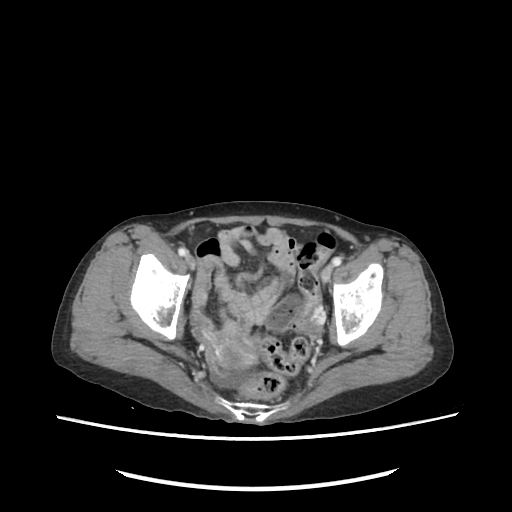

CT abdomen; Axial slice 25/124; soft-tissue window; 512x512 px; 73-year-old female patient
Boxes: x1 y1 x2 y2 (pixel coords, space-separated).
Organ bounding boxes:
- prostate/uterus: 216 338 257 367